Computed tomography, abdomen. Axial slice 19/225. 512x512 px. 15 organs annotated in this scan (that count is for the whole scan; organs this slice misses have no box)
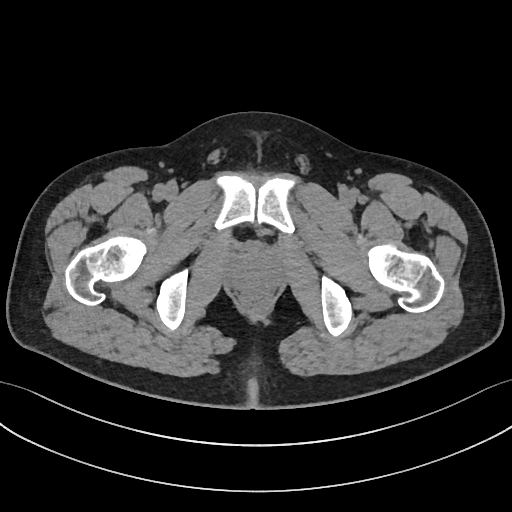

<organs><organ name="prostate/uterus" x1="230" y1="252" x2="279" y2="289"/></organs>